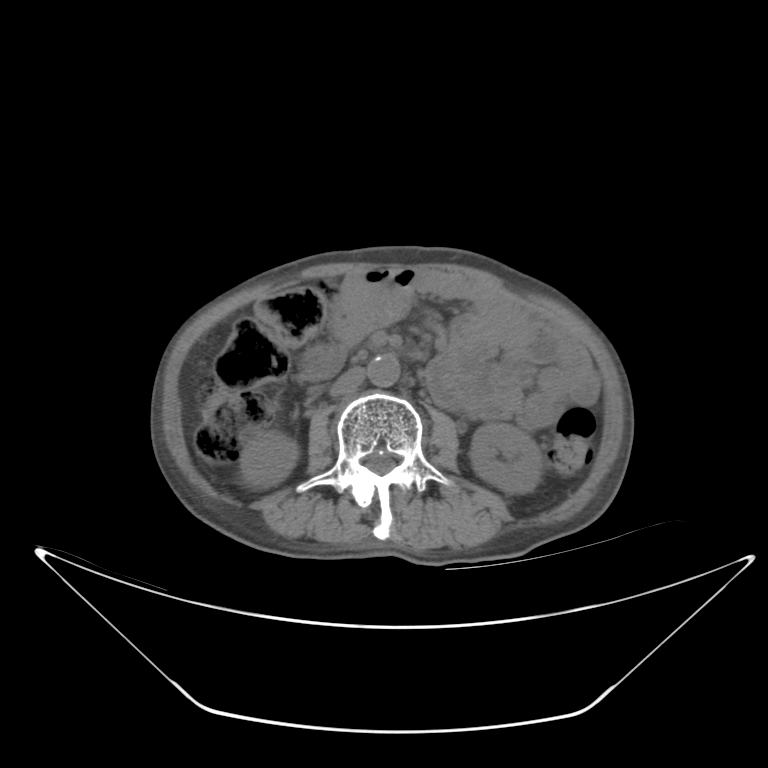
CT abdomen · Axial slice 57/95 · soft-tissue window (W 400 / L 40) · 768x768 px
Box edges are left/top/right/bottom in pixels. 4 labeled organs on this slice — right kidney at left=240, top=432, right=296, bottom=486; left kidney at left=469, top=424, right=543, bottom=490; aorta at left=367, top=353, right=400, bottom=387; inferior vena cava at left=329, top=366, right=363, bottom=397.